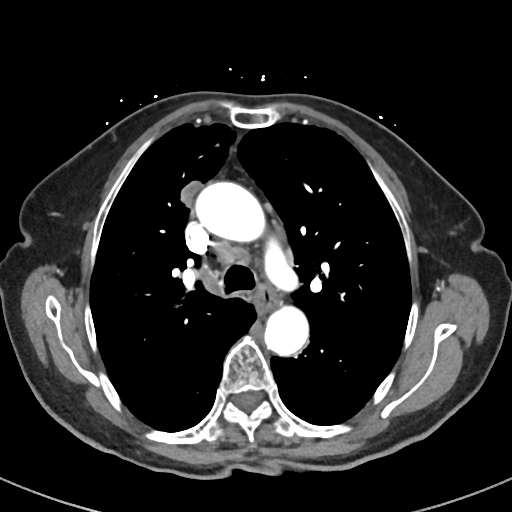

Chest-level CT slice, above the liver and spleen; axial view; 15 organs annotated in this scan (counted over the whole 3D scan, not this slice; an organ is boxed only where this slice passes through it)
At this level of the chest this dataset labels only the esophagus and the aorta, and each is boxed only where it is labeled; the heart and lungs are never labeled.
<organs><organ name="esophagus" x1="255" y1="284" x2="279" y2="314"/><organ name="aorta" x1="195" y1="181" x2="264" y2="241"/><organ name="aorta" x1="264" y1="306" x2="308" y2="356"/></organs>